CT, abdomen/pelvis · Axial slice 62/95 · 68-year-old male patient · Brilliance16 scanner
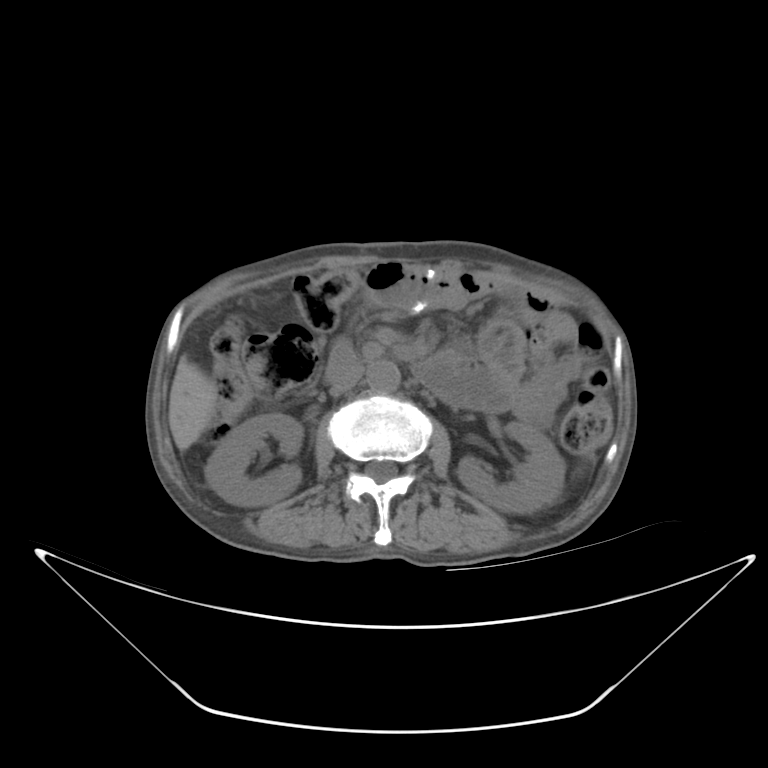 Boxes: x1 y1 x2 y2 (pixel coords, space-separated). Labeled organs on this slice: right kidney at 205 414 304 505, left kidney at 455 423 563 513, liver at 167 359 216 449, aorta at 367 359 400 392, inferior vena cava at 331 365 363 395.